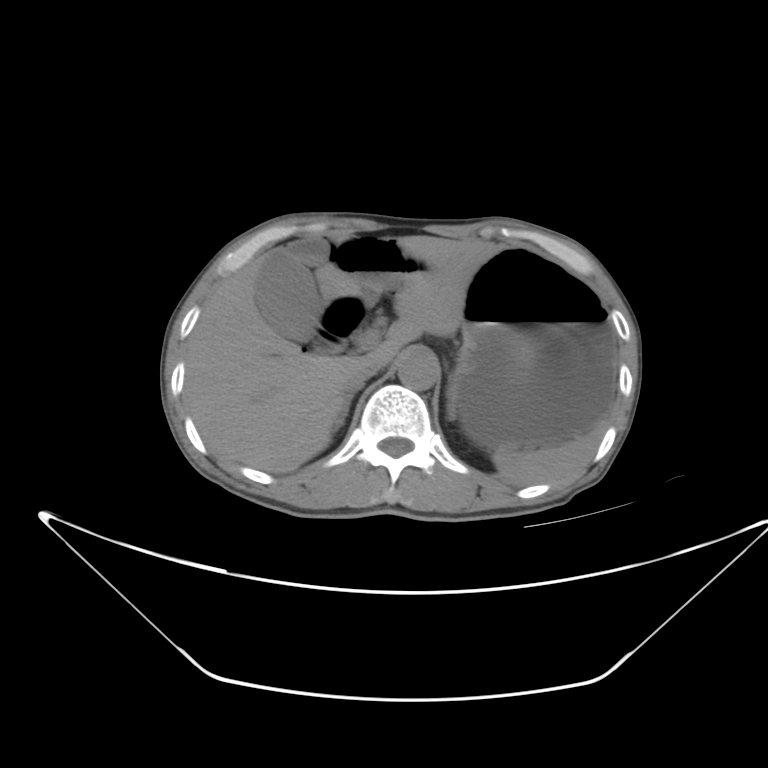

CT, abdomen/pelvis · axial plane, index 69 · 768x768 px · acquired on Brilliance16
{"organs":{"spleen":[493,414,607,482],"gall bladder":[257,236,329,342],"liver":[185,234,501,471],"stomach":[452,247,618,451],"aorta":[396,350,438,389],"inferior vena cava":[339,362,376,399],"right adrenal gland":[333,398,350,429],"left adrenal gland":[446,376,457,423],"duodenum":[313,298,364,355]}}